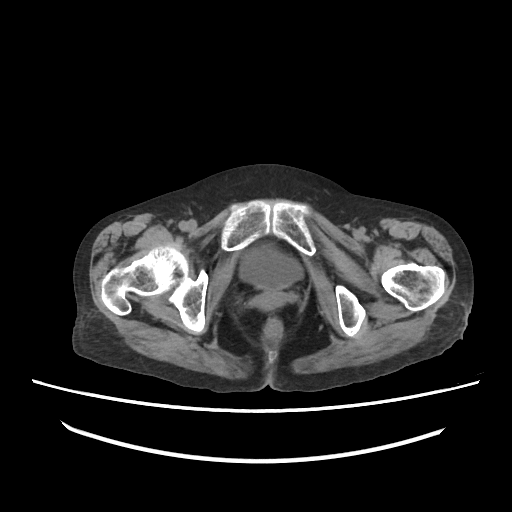 Abdominal CT; Axial slice 12/89; soft-tissue window (W 400 / L 40); 61-year-old female patient; Aquilion ONE scanner; 15 organs annotated in this scan (counted over the whole 3D scan, not this slice; an organ is boxed only where this slice passes through it)
Boxes are (x1, y1, x2, y2) in pixels.
bladder: (239, 245, 302, 289)
prostate/uterus: (252, 292, 285, 310)